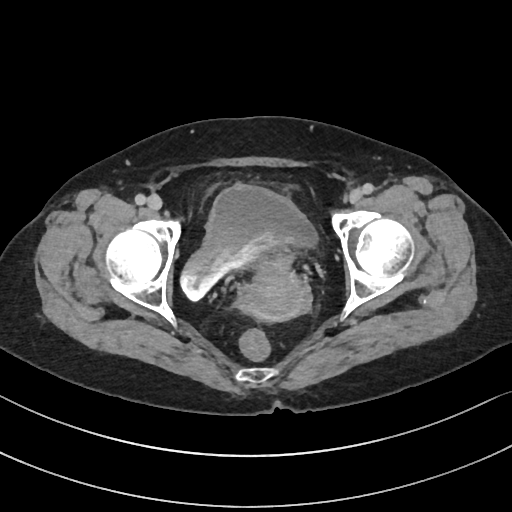 Computed tomography, abdomen. axial view. 512x512 px
{"organs":{"bladder":[180,185,315,298],"prostate/uterus":[239,250,310,321]}}